CT abdomen; axial plane, index 93; soft-tissue window (W 400 / L 40)
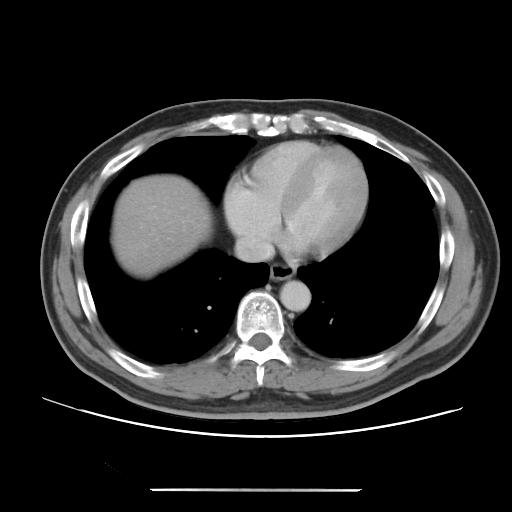
Boxes: x1 y1 x2 y2 (pixel coords, space-separated).
esophagus: 270 263 295 280
liver: 111 174 212 278
aorta: 280 280 311 311
inferior vena cava: 234 236 274 262